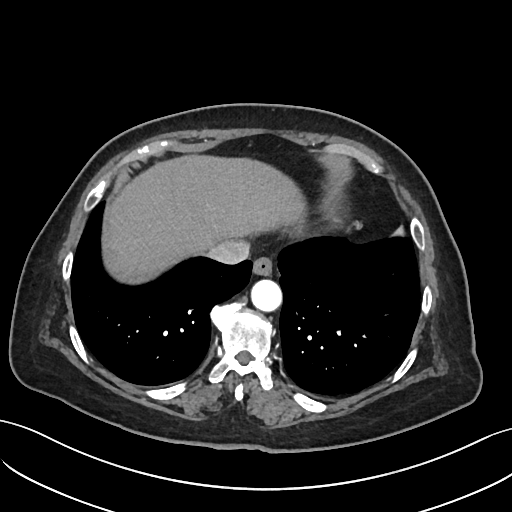 CT, abdomen/pelvis. axial view
Boxes: x1 y1 x2 y2 (pixel coords, space-separated).
Organ bounding boxes:
- esophagus: 253 257 273 275
- liver: 109 154 305 274
- aorta: 251 279 281 311
- inferior vena cava: 207 240 249 264